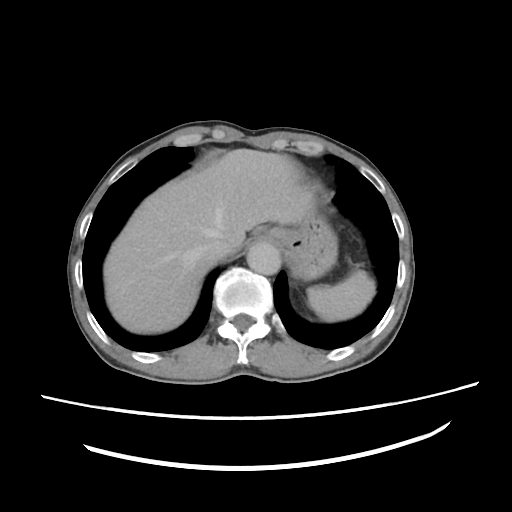

Computed tomography, abdomen · axial view · soft-tissue window (W 400 / L 40)
Coordinates as <box>x1,y1,x2,y2</box> in pixels.
Organ bounding boxes:
- spleen: <box>306,269,374,322</box>
- esophagus: <box>255,227,286,243</box>
- liver: <box>103,148,315,333</box>
- stomach: <box>285,204,336,279</box>
- aorta: <box>247,242,281,276</box>
- inferior vena cava: <box>201,230,229,262</box>